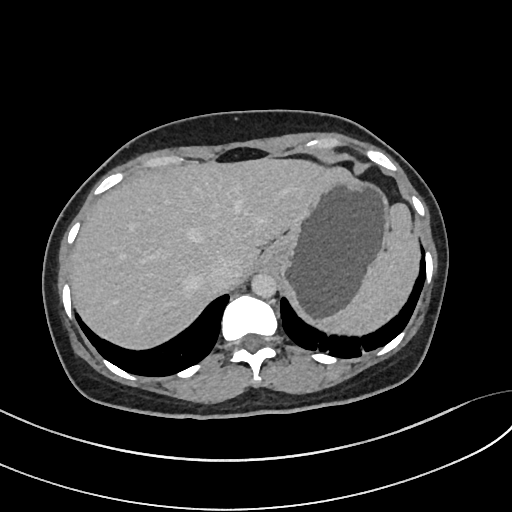
Abdominal CT. axial plane, index 186
Organ boxes in pixel coordinates; each row gives the top-left (x1, y1) and bottom-right (x2, y2) corners.
| organ | x1 | y1 | x2 | y2 |
|---|---|---|---|---|
| spleen | 314 | 204 | 421 | 337 |
| liver | 70 | 156 | 342 | 351 |
| stomach | 264 | 168 | 390 | 319 |
| aorta | 250 | 273 | 276 | 298 |
| inferior vena cava | 207 | 258 | 240 | 286 |